Computed tomography, abdomen. axial view. 512x512 px. 41-year-old male patient
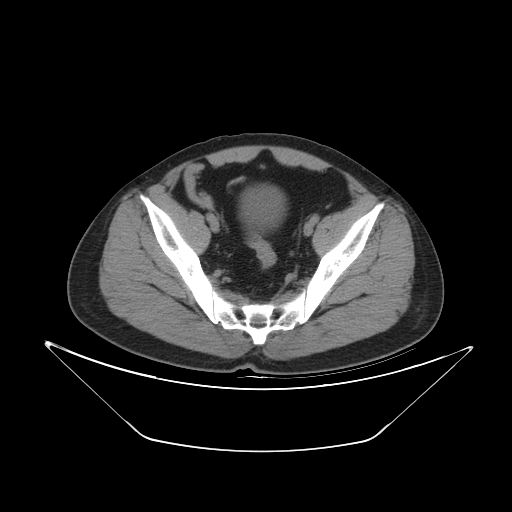
Box edges are left/top/right/bottom in pixels.
bladder: left=240, top=186, right=284, bottom=229